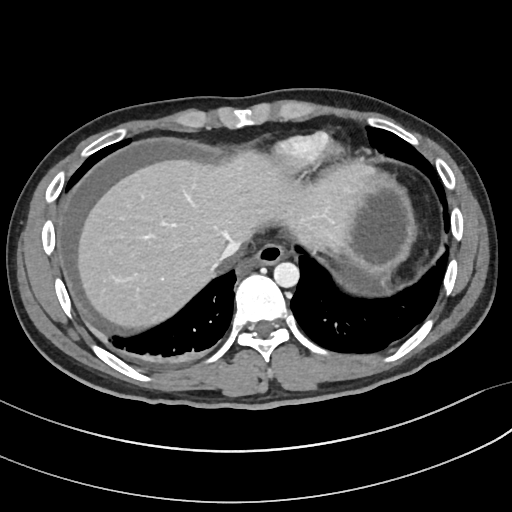

Abdominal CT · axial view · SOMATOM Force scanner
One row per box, in pixels: columns x1 and y1 give the top-left corner, x2 and y2 the bottom-right.
| organ | x1 | y1 | x2 | y2 |
|---|---|---|---|---|
| esophagus | 250 | 243 | 286 | 265 |
| inferior vena cava | 222 | 243 | 240 | 259 |
| liver | 75 | 152 | 363 | 328 |
| aorta | 273 | 262 | 299 | 287 |
| stomach | 337 | 163 | 411 | 274 |